Abdominal CT · axial view · 63-year-old female patient
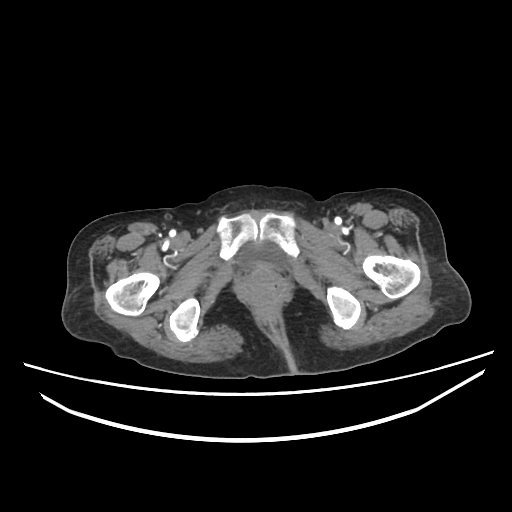 Coordinates as <box>x1,y1,x2,y2</box> in pixels.
Organ bounding boxes:
- bladder: <box>238,243,286,272</box>